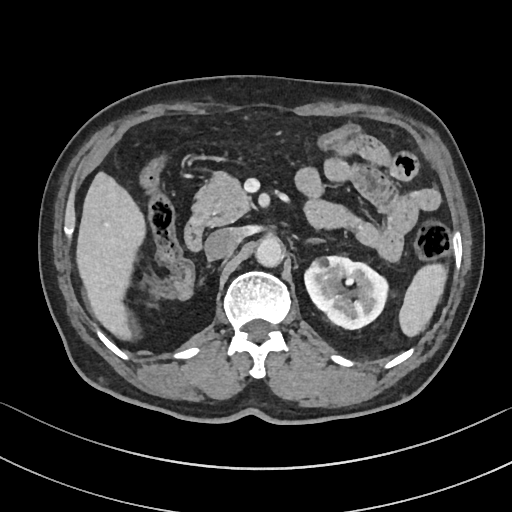
CT, abdomen/pelvis · axial view · soft-tissue window
Each box given as x1,y1,x2,y2.
left kidney: x1=304, y1=255, x2=390, y2=329
pancreas: x1=191, y1=173, x2=252, y2=225
left adrenal gland: x1=305, y1=238, x2=323, y2=242
spleen: x1=399, y1=263, x2=447, y2=334
inferior vena cava: x1=205, y1=228, x2=239, y2=258
liver: x1=77, y1=172, x2=144, y2=340
aorta: x1=255, y1=236, x2=283, y2=266
duodenum: x1=185, y1=215, x2=208, y2=252